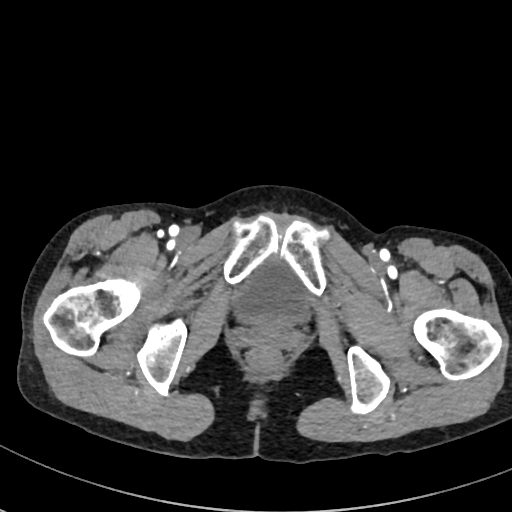

Abdominal CT. axial view
{"organs":{"bladder":[231,258,311,326]}}